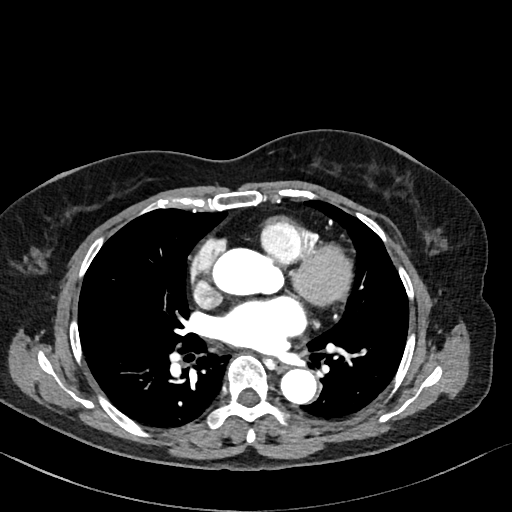 CT of the abdomen reaching into the lower chest, slice just above the liver and spleen · Axial slice 220/222 · 512x512 px
The heart and lungs are never labeled in this dataset, so they have no box on this slice. Boxes are (x1, y1, x2, y2) in pixels. Labeled organs on this slice: esophagus at (274, 359, 286, 371), aorta at (280, 368, 317, 404).